CT of the abdomen reaching into the lower chest, slice just above the liver and spleen; axial view; soft-tissue window, W/L 400/40; 512x512 px; scan has 15 labeled organs (that count is for the whole scan; organs this slice misses have no box)
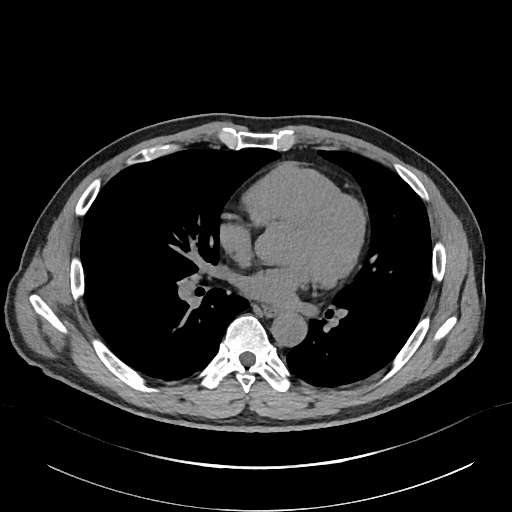 The heart and lungs are never labeled in this dataset, so they have no box on this slice.
Coordinates as <box>x1,y1,x2,y2</box> in pixels.
Organ bounding boxes:
- esophagus: <box>264,308,276,316</box>
- aorta: <box>271,313,307,346</box>